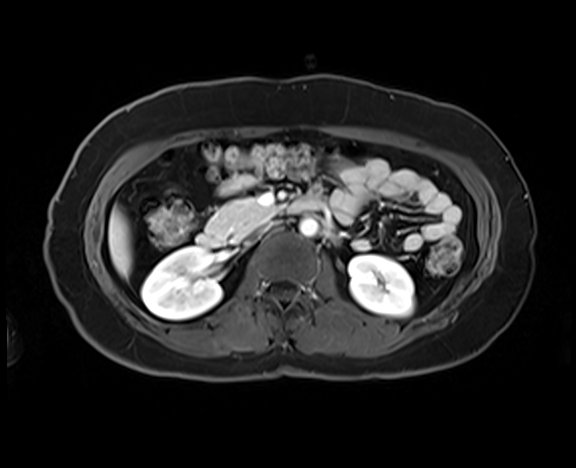 Abdominal MR; axial view; 576x468 px
{"organs":{"inferior vena cava":[258,221,275,233],"left kidney":[349,255,414,316],"right kidney":[141,247,222,319],"duodenum":[196,196,323,246],"aorta":[299,218,317,236],"pancreas":[206,199,277,240],"liver":[108,207,131,277]}}